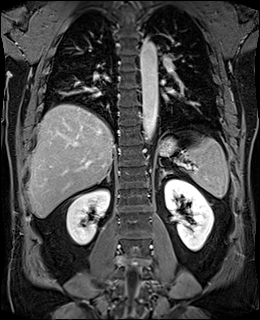

Magnetic resonance imaging, abdomen; coronal plane, index 43; 260x320 px
<organs><organ name="spleen" x1="175" y1="138" x2="228" y2="198"/><organ name="right kidney" x1="66" y1="189" x2="109" y2="244"/><organ name="left kidney" x1="164" y1="179" x2="213" y2="251"/><organ name="liver" x1="28" y1="104" x2="114" y2="218"/><organ name="stomach" x1="159" y1="138" x2="176" y2="155"/><organ name="aorta" x1="140" y1="38" x2="157" y2="143"/><organ name="right adrenal gland" x1="97" y1="168" x2="110" y2="183"/><organ name="left adrenal gland" x1="159" y1="170" x2="171" y2="185"/></organs>